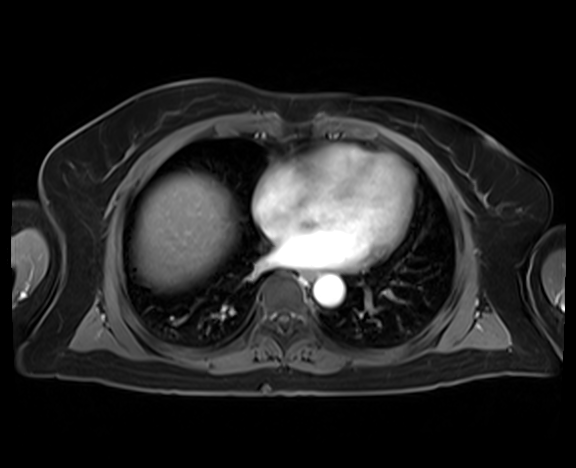

Abdominal MRI — axial view
<organs><organ name="esophagus" x1="302" y1="270" x2="316" y2="281"/><organ name="liver" x1="134" y1="174" x2="236" y2="288"/><organ name="aorta" x1="313" y1="275" x2="344" y2="306"/></organs>